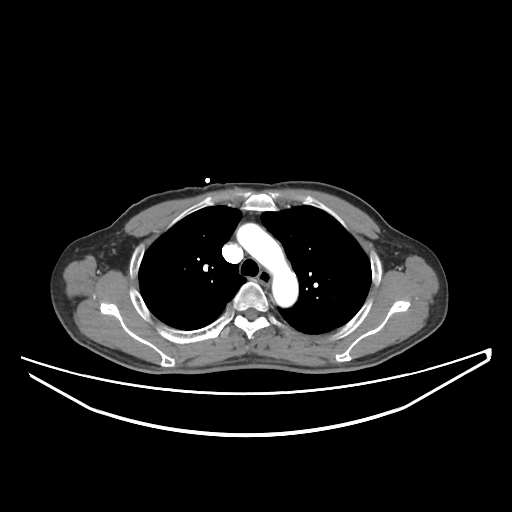

CT of the abdomen extending into the chest, slice through the chest · axial view · soft-tissue window (W 400 / L 40) · 62-year-old male patient · 15 organs annotated in this scan (counted over the whole 3D scan, not this slice; an organ is boxed only where this slice passes through it)
On a slice this high in the chest, this dataset labels only the esophagus and the aorta, and each is boxed only where it is labeled; the heart, lungs and other chest structures are not labeled.
Bounding boxes in pixels, one row per box: x1, y1 is the top-left corner and x2, y2 the bottom-right.
| organ | x1 | y1 | x2 | y2 |
|---|---|---|---|---|
| esophagus | 257 | 270 | 271 | 284 |
| aorta | 237 | 223 | 298 | 307 |